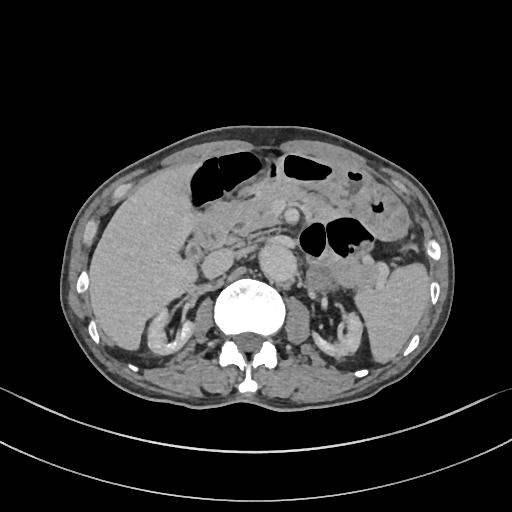
Computed tomography, abdomen; axial view; 512x512 px
Bounding boxes as [x1, y1, x2, y2] in pixel coordinates. The annotated organs in this slice are: right kidney at [149, 313, 193, 354], left kidney at [311, 314, 361, 357], duodenum at [193, 198, 238, 248], liver at [88, 161, 203, 349], stomach at [223, 152, 408, 240], pancreas at [233, 183, 378, 286], left adrenal gland at [306, 262, 335, 291], inferior vena cava at [202, 249, 235, 276], gall bladder at [186, 245, 199, 258], aorta at [261, 247, 297, 284], spleen at [354, 262, 430, 363].